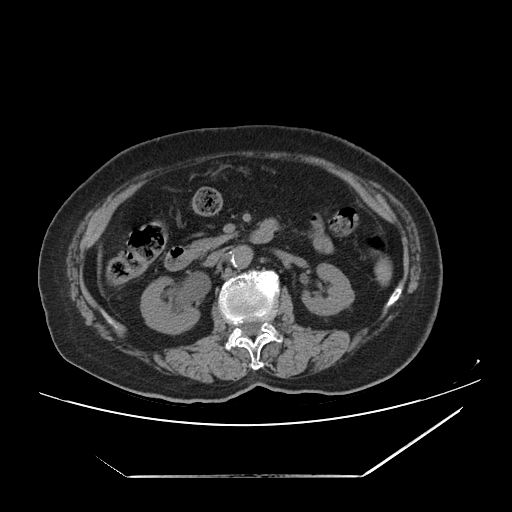
Computed tomography, abdomen; axial view; abdomen soft-tissue window; 512x512 px; acquired on SOMATOM Force
<organs><organ name="spleen" x1="374" y1="257" x2="392" y2="285"/><organ name="right kidney" x1="140" y1="277" x2="199" y2="333"/><organ name="left kidney" x1="302" y1="263" x2="354" y2="315"/><organ name="liver" x1="98" y1="252" x2="101" y2="269"/><organ name="aorta" x1="230" y1="245" x2="253" y2="268"/><organ name="inferior vena cava" x1="204" y1="248" x2="226" y2="266"/><organ name="pancreas" x1="189" y1="234" x2="234" y2="256"/><organ name="duodenum" x1="164" y1="220" x2="277" y2="270"/></organs>